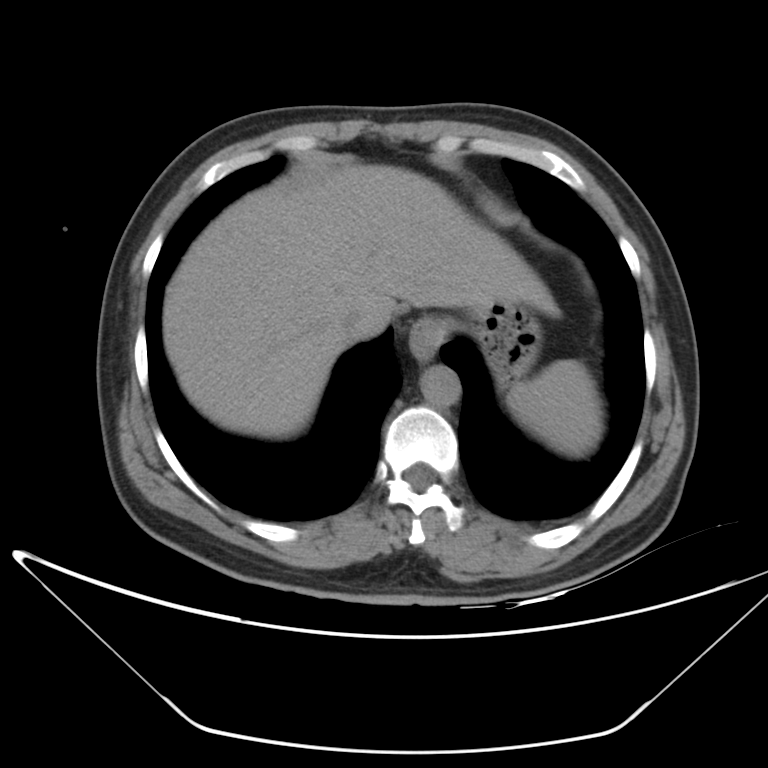
CT, abdomen/pelvis · axial view · abdomen soft-tissue window · 42-year-old male patient
Boxes: x1:y1:x2:y2 in pixels.
Organ bounding boxes:
- spleen: 507:359:602:456
- esophagus: 409:317:447:362
- liver: 163:165:558:438
- stomach: 445:301:542:387
- aorta: 420:365:460:407
- inferior vena cava: 341:307:370:340